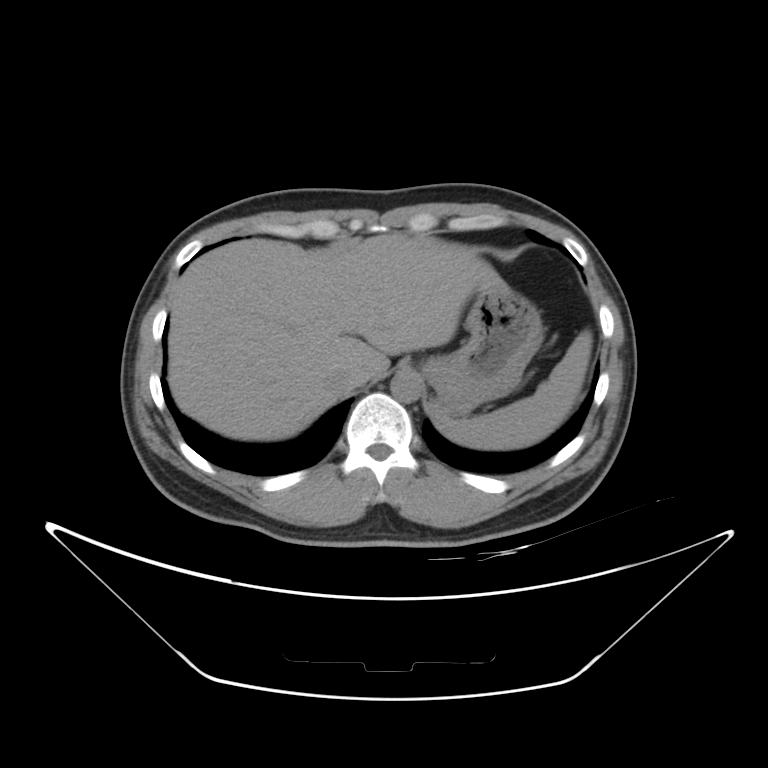

Abdominal CT. axial view. 768x768 px
Boxes: x1 y1 x2 y2 (pixel coords, space-separated).
Organ bounding boxes:
- spleen: 432 329 591 449
- liver: 168 234 499 440
- stomach: 422 279 542 416
- aorta: 390 372 422 402
- inferior vena cava: 324 368 354 395